Computed tomography, abdomen. axial view. SOMATOM Force scanner
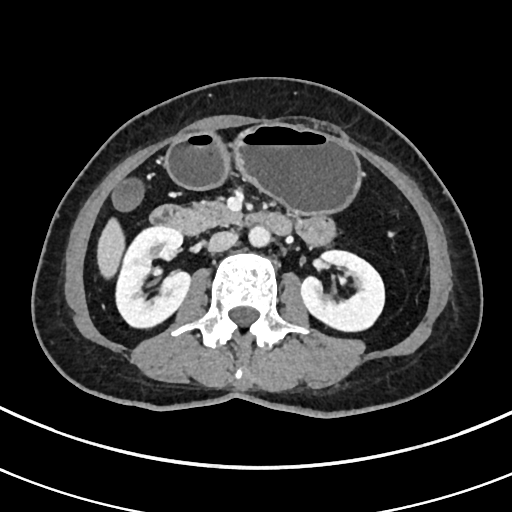
{"organs":{"stomach":[165,123,360,213],"left kidney":[301,250,384,331],"duodenum":[151,205,290,235],"gall bladder":[113,178,143,210],"inferior vena cava":[208,231,237,251],"liver":[97,218,124,278],"aorta":[248,225,270,246],"pancreas":[194,201,235,227],"right kidney":[115,226,190,327]}}